Lower-chest slice from an abdominal CT, just above the liver and spleen; axial view; soft-tissue window, W/L 400/40; 512x512 px
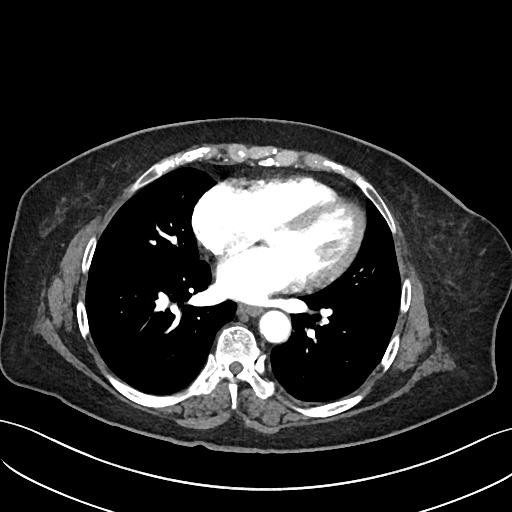

No part of the heart or lungs is labeled in this dataset, so neither has a box here. Boxes: x1:y1:x2:y2 in pixels. The annotated organs in this slice are: esophagus at 239:304:260:314, aorta at 259:309:290:341.